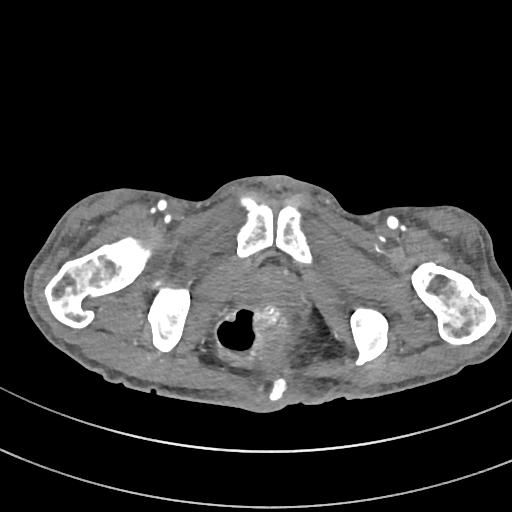
Computed tomography, abdomen. axial view. soft-tissue window (W 400 / L 40). 15 organs annotated in this scan (that count is for the whole scan; organs this slice misses have no box)
One row per box, in pixels: columns x1 and y1 give the top-left corner, x2 and y2 the bottom-right.
| organ | x1 | y1 | x2 | y2 |
|---|---|---|---|---|
| prostate/uterus | 244 | 269 | 299 | 307 |